Abdominal MRI; this slice is in the lower chest, just above the liver — axial view — 12 organs annotated in this scan (that count is for the whole scan; organs this slice misses have no box)
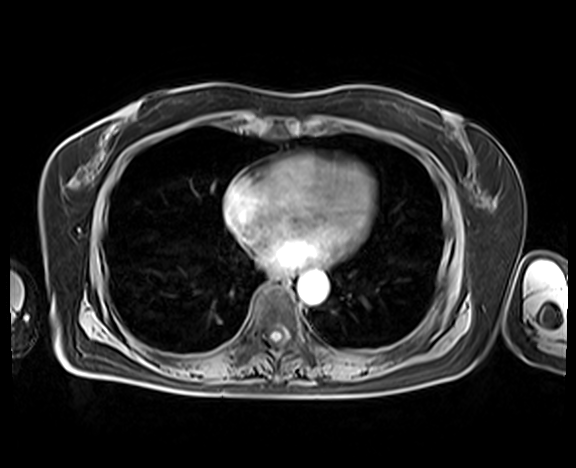
The heart and lungs are never labeled in this dataset, so they have no box on this slice.
{"organs":{"esophagus":[276,273,289,284],"aorta":[298,272,328,304]}}